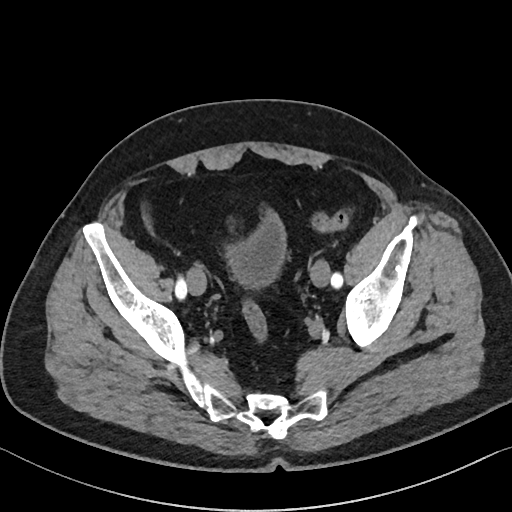

Abdominal CT. axial plane, index 47. soft-tissue window (W 400 / L 40). 15 organs annotated in this scan (that count is for the whole scan; organs this slice misses have no box)
Boxes: x1:y1:x2:y2 in pixels.
Organ bounding boxes:
- bladder: 225:212:287:290